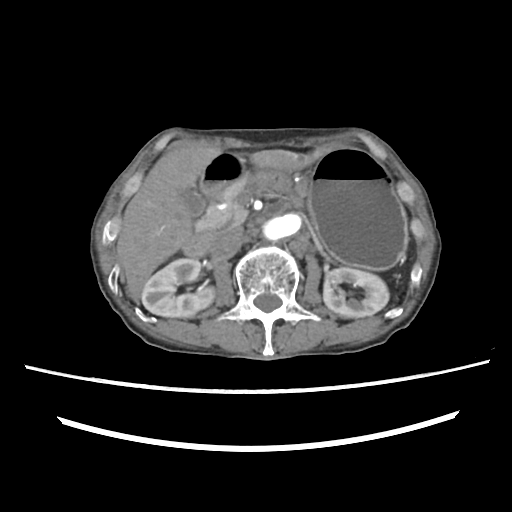 CT abdomen. axial view. 512x512 px
Box edges are left/top/right/bottom in pixels.
Organ bounding boxes:
- duodenum: left=182, top=153, right=243, bottom=256
- right kidney: left=141, top=258, right=214, bottom=317
- left kidney: left=323, top=267, right=388, bottom=317
- gall bladder: left=180, top=189, right=206, bottom=217
- pancreas: left=202, top=176, right=247, bottom=228
- liver: left=116, top=145, right=322, bottom=300
- inferior vena cava: left=211, top=225, right=243, bottom=257
- aorta: left=262, top=212, right=303, bottom=239
- stomach: left=308, top=147, right=407, bottom=268